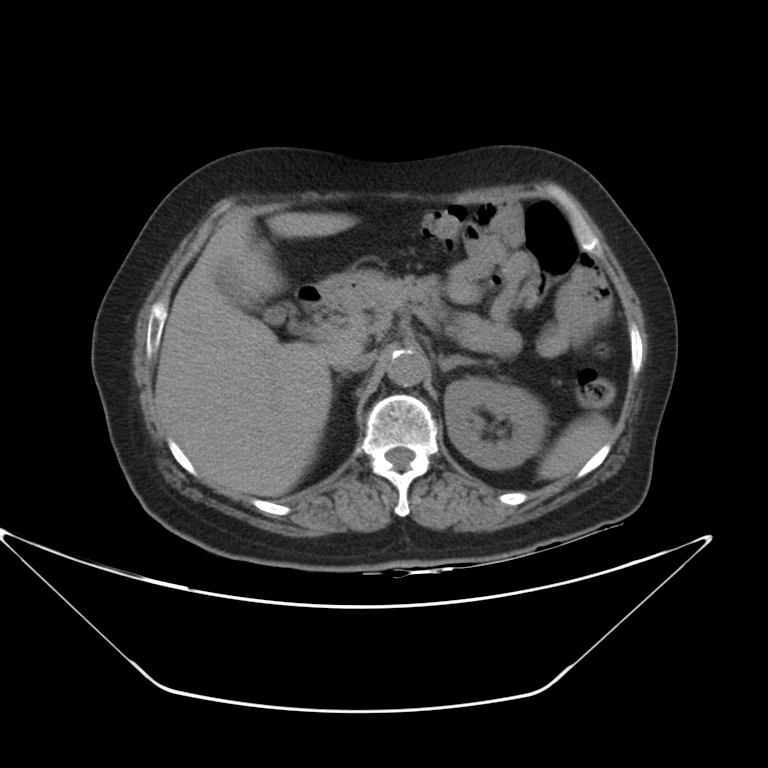
Abdominal CT — axial view — 768x768 px — scan has 15 labeled organs (counted over the whole 3D scan, not this slice; an organ is boxed only where this slice passes through it)
{"organs":{"left kidney":[445,377,549,469],"stomach":[319,269,383,302],"left adrenal gland":[438,354,469,371],"right adrenal gland":[341,373,348,378],"gall bladder":[216,269,287,324],"duodenum":[296,284,345,312],"aorta":[387,349,426,386],"inferior vena cava":[335,353,375,371],"liver":[155,213,363,496],"pancreas":[346,276,471,347],"spleen":[538,412,612,479]}}